Abdominal CT — axial plane, index 66
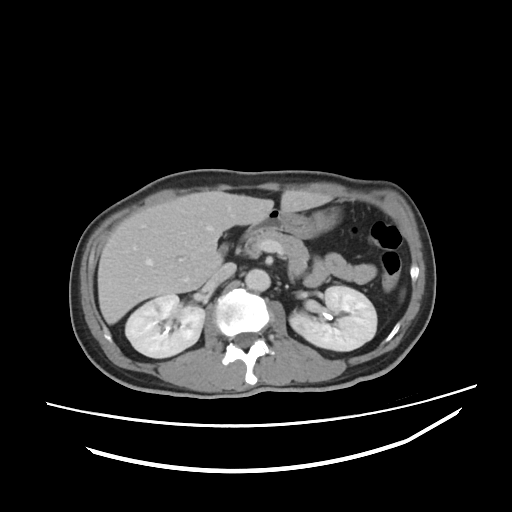
Each box given as x1,y1,x2,y2.
Organ bounding boxes:
- aorta: x1=245, y1=269, x2=270, y2=291
- pancreas: x1=245, y1=228, x2=308, y2=272
- right kidney: x1=125, y1=294, x2=204, y2=357
- stomach: x1=270, y1=208, x2=340, y2=238
- inferior vena cava: x1=208, y1=263, x2=235, y2=286
- left kidney: x1=289, y1=286, x2=376, y2=350
- gall bladder: x1=219, y1=245, x2=227, y2=254
- liver: x1=97, y1=190, x2=331, y2=324
- duodenum: x1=247, y1=210, x2=278, y2=233